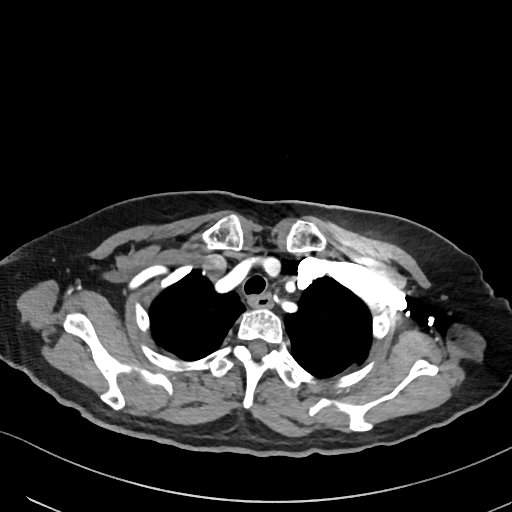 Abdominal CT reaching into the chest; this slice is in the chest · axial plane, index 279 · soft-tissue window (W 400 / L 40) · 512x512 px
At this level of the chest no structure but the esophagus and the aorta has a label in this dataset, and those two are boxed only where they are labeled.
Bounding boxes in pixels, one row per box: x1, y1 is the top-left corner and x2, y2 the bottom-right.
| organ | x1 | y1 | x2 | y2 |
|---|---|---|---|---|
| esophagus | 248 | 295 | 272 | 308 |